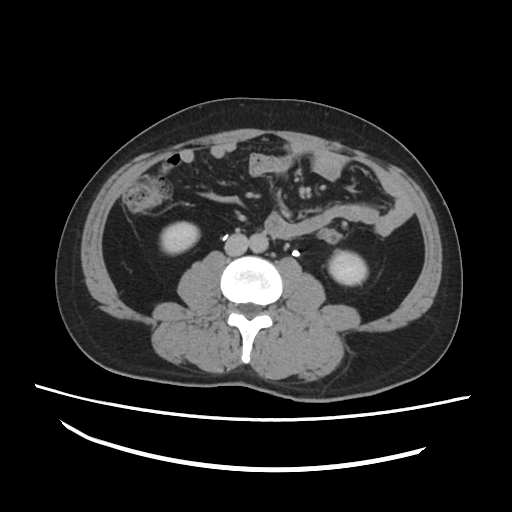

CT, abdomen/pelvis · axial view · scan has 15 labeled organs (that count is for the whole scan; organs this slice misses have no box)
Boxes are (x1, y1, x2, y2) in pixels. 4 labeled organs on this slice — left kidney at (328, 250, 367, 285); inferior vena cava at (224, 234, 248, 254); right kidney at (161, 221, 198, 253); aorta at (248, 233, 269, 252).